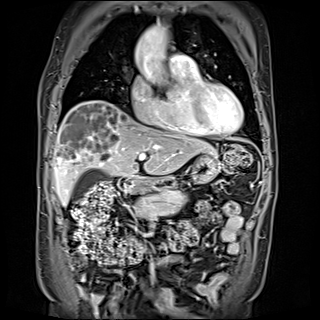
Abdominal MR; Coronal slice 44/60; 1st–99th percentile window
<organs><organ name="gall bladder" x1="71" y1="168" x2="105" y2="200"/><organ name="liver" x1="54" y1="101" x2="215" y2="206"/><organ name="stomach" x1="132" y1="153" x2="219" y2="191"/><organ name="aorta" x1="134" y1="27" x2="167" y2="55"/><organ name="pancreas" x1="135" y1="190" x2="187" y2="217"/><organ name="duodenum" x1="118" y1="176" x2="138" y2="192"/></organs>